Abdominal MR · axial plane, index 1 · 1st–99th percentile window
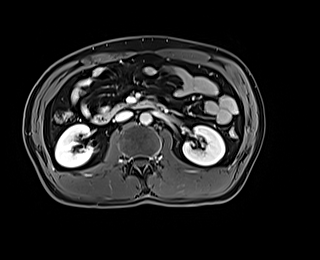 Bounding boxes as [x1, y1, x2, y2] in pixel coordinates.
Organ bounding boxes:
- left kidney: [181, 125, 225, 165]
- right kidney: [55, 124, 93, 167]
- pancreas: [118, 104, 125, 106]
- duodenum: [93, 101, 162, 124]
- aorta: [140, 112, 151, 125]
- inferior vena cava: [115, 111, 132, 121]